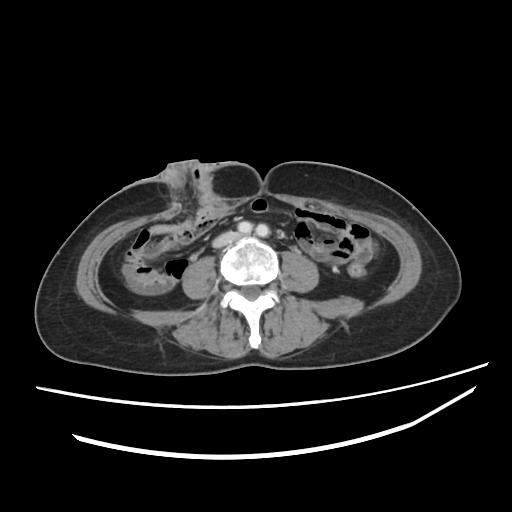
Abdominal CT · axial view · soft-tissue window (W 400 / L 40)
{"organs":{"inferior vena cava":[213,233,236,247]}}